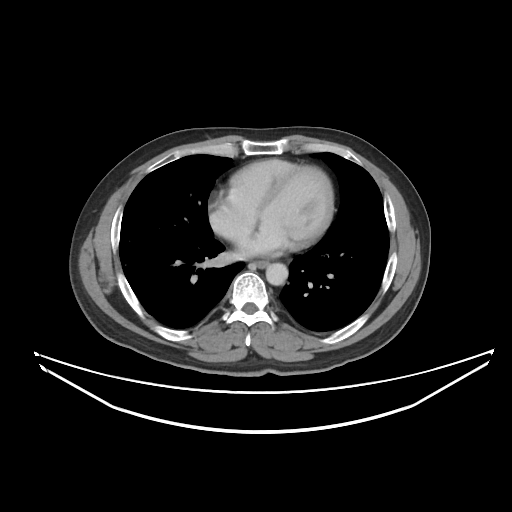 CT of the abdomen reaching into the lower chest, slice just above the liver and spleen. axial view. soft-tissue window, W/L 400/40. Aquilion ONE scanner
The heart and lungs are never labeled in this dataset, so they have no box on this slice.
{"organs":{"esophagus":[250,260,268,267],"aorta":[266,263,288,285]}}